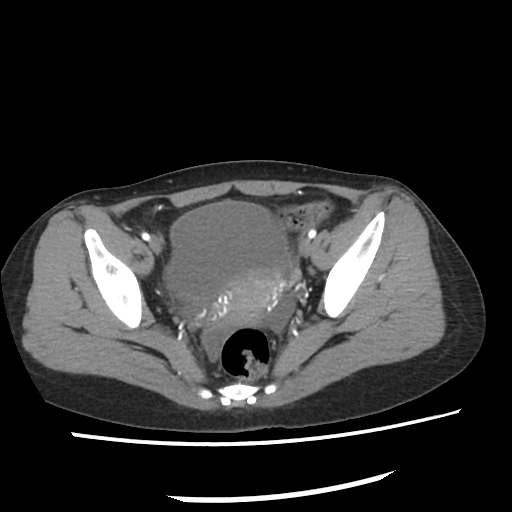

Abdominal CT. axial plane, index 20
Bounding boxes as [x1, y1, x2, y2] in pixel coordinates. The annotated organs in this slice are: bladder at [167, 203, 289, 301], prostate/uterus at [223, 278, 279, 321].